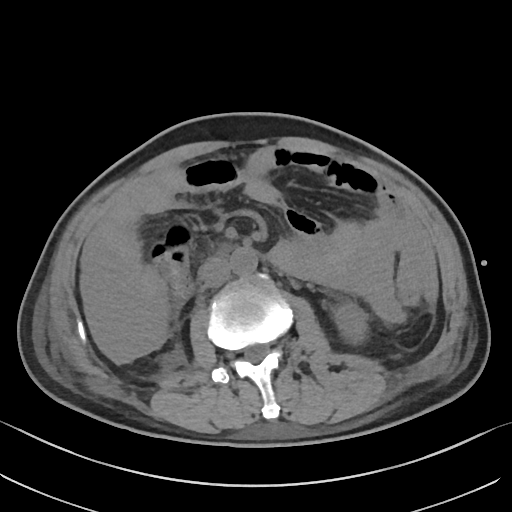

Computed tomography, abdomen. axial view
{"organs":{"left kidney":[333,303,367,344],"aorta":[230,248,257,274],"inferior vena cava":[199,257,230,287]}}